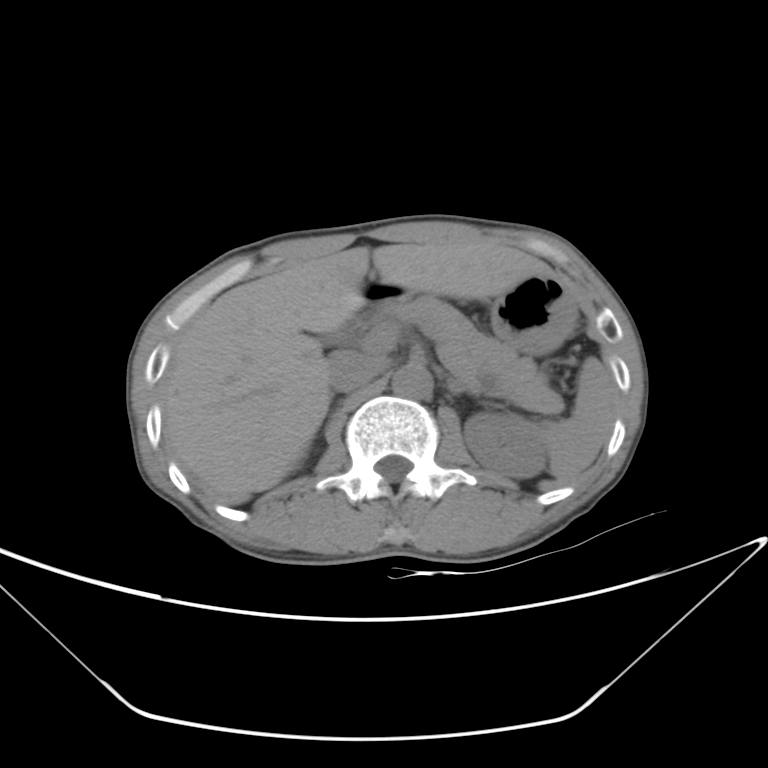

Computed tomography, abdomen. Axial slice 66/79. 768x768 px. 53-year-old male patient
One row per box, in pixels: columns x1 and y1 give the top-left corner, x2 and y2 the bottom-right.
| organ | x1 | y1 | x2 | y2 |
|---|---|---|---|---|
| left kidney | 463 | 412 | 547 | 478 |
| stomach | 363 | 275 | 576 | 355 |
| left adrenal gland | 449 | 382 | 466 | 393 |
| duodenum | 350 | 299 | 383 | 330 |
| inferior vena cava | 326 | 351 | 381 | 391 |
| spleen | 542 | 357 | 615 | 481 |
| pancreas | 384 | 297 | 562 | 413 |
| liver | 163 | 240 | 552 | 504 |
| aorta | 391 | 363 | 431 | 398 |